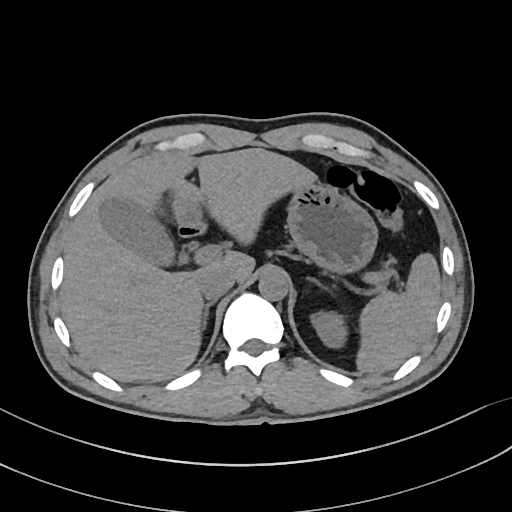 Abdominal CT — axial view — W/L 400/40 HU
Organ boxes in pixel coordinates; each row gives the top-left (x1, y1) and bottom-right (x2, y2) corners.
| organ | x1 | y1 | x2 | y2 |
|---|---|---|---|---|
| spleen | 355 | 253 | 440 | 373 |
| inferior vena cava | 198 | 267 | 234 | 300 |
| liver | 61 | 148 | 319 | 382 |
| gall bladder | 102 | 199 | 174 | 265 |
| right adrenal gland | 204 | 302 | 213 | 323 |
| stomach | 288 | 183 | 378 | 273 |
| duodenum | 178 | 221 | 205 | 239 |
| left kidney | 312 | 313 | 344 | 347 |
| aorta | 259 | 270 | 289 | 300 |
| left adrenal gland | 306 | 275 | 321 | 287 |